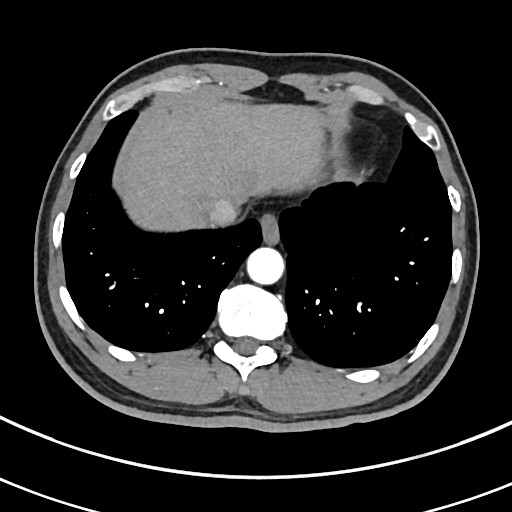

CT abdomen — Axial slice 183/302 — abdomen soft-tissue window — 512x512 px — acquired on SOMATOM Force
Bounding boxes in pixels, one row per box: x1, y1 is the top-left corner and x2, y2 the bottom-right.
| organ | x1 | y1 | x2 | y2 |
|---|---|---|---|---|
| esophagus | 260 | 213 | 279 | 243 |
| liver | 119 | 103 | 323 | 229 |
| aorta | 247 | 247 | 284 | 284 |
| inferior vena cava | 207 | 197 | 237 | 224 |